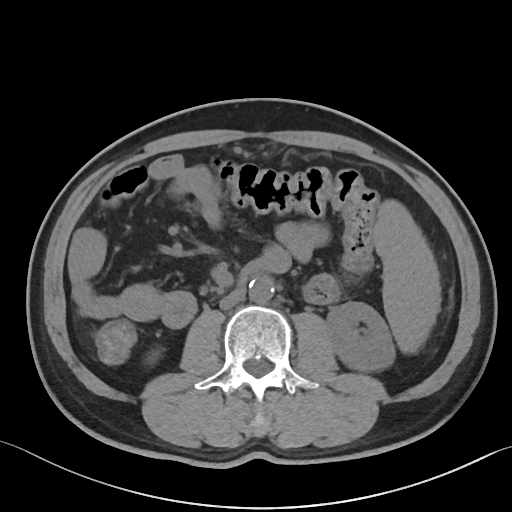
Computed tomography, abdomen; axial view; soft-tissue window; 512x512 px
Boxes are (x1, y1, x2, y2) in pixels. Labeled organs on this slice: spleen at (374, 199, 440, 353), right kidney at (145, 349, 161, 364), left kidney at (327, 302, 395, 371), aorta at (249, 276, 274, 303), inferior vena cava at (219, 288, 245, 309), duodenum at (239, 261, 262, 285).